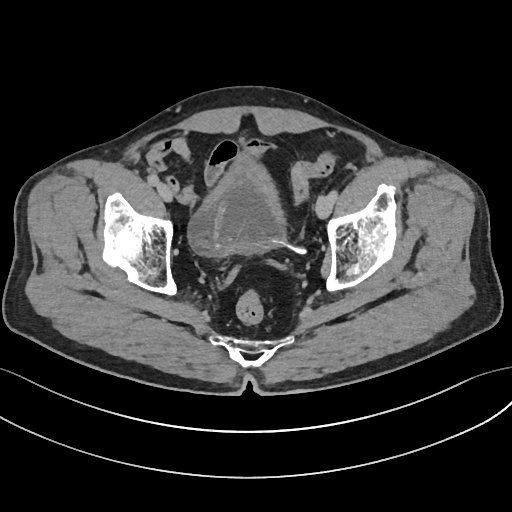

CT, abdomen/pelvis · axial view
<organs><organ name="bladder" x1="188" y1="154" x2="285" y2="256"/></organs>